Abdominal CT; this slice is in the lower chest, just above the liver · axial view
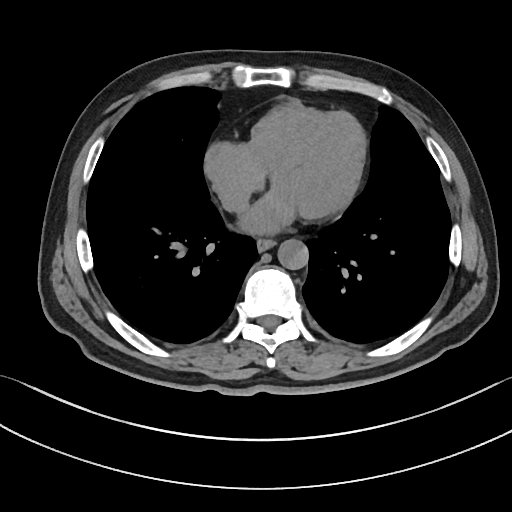 No part of the heart or lungs is labeled in this dataset, so neither has a box here.
{"organs":{"esophagus":[257,239,275,251],"aorta":[277,239,308,269]}}